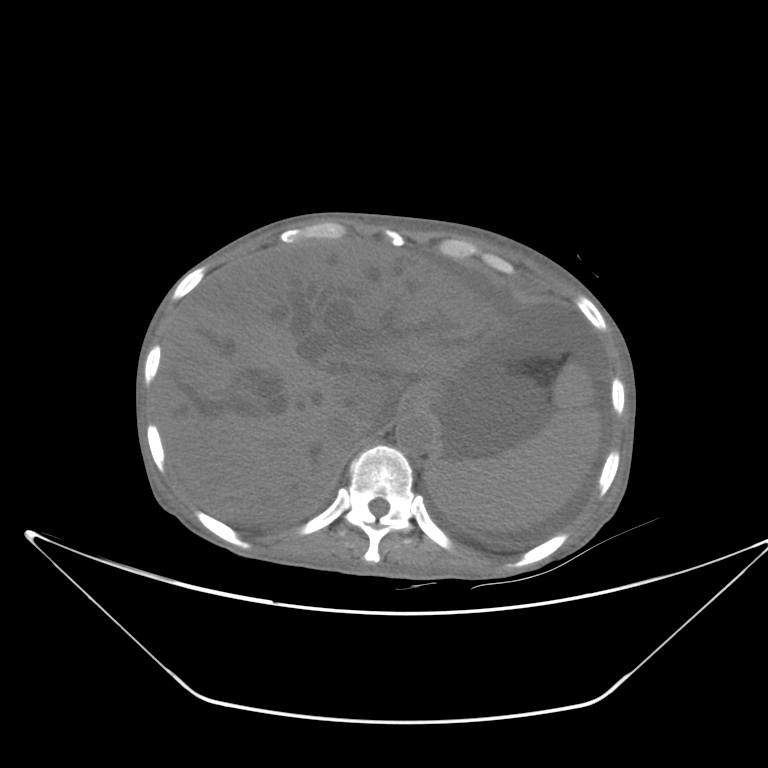 CT, abdomen/pelvis. axial view. 768x768 px. 56-year-old female patient. 15 organs annotated in this scan (a whole-scan count: organs this slice does not pass through have no box)
{"organs":{"esophagus":[402,380,443,408],"inferior vena cava":[330,406,384,441],"aorta":[395,409,436,455],"spleen":[426,361,601,530],"liver":[156,238,512,524]}}